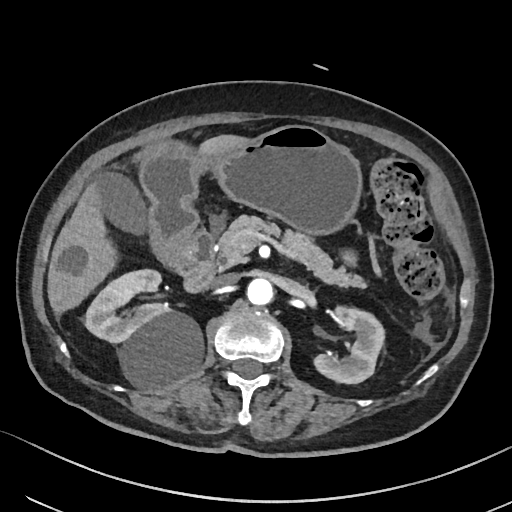

CT, abdomen/pelvis; Axial slice 159/297; 512x512 px
Each box given as x1,y1,x2,y2.
Organ bounding boxes:
- gall bladder: x1=91, y1=171, x2=146, y2=234
- liver: x1=47, y1=134, x2=249, y2=314
- duodenum: x1=150, y1=230, x2=215, y2=292
- stomach: x1=139, y1=125, x2=361, y2=269
- inferior vena cava: x1=211, y1=273, x2=238, y2=288
- left kidney: x1=314, y1=306, x2=384, y2=383
- aorta: x1=247, y1=278, x2=273, y2=305
- pancreas: x1=214, y1=215, x2=366, y2=287
- right kidney: x1=85, y1=269, x2=203, y2=387